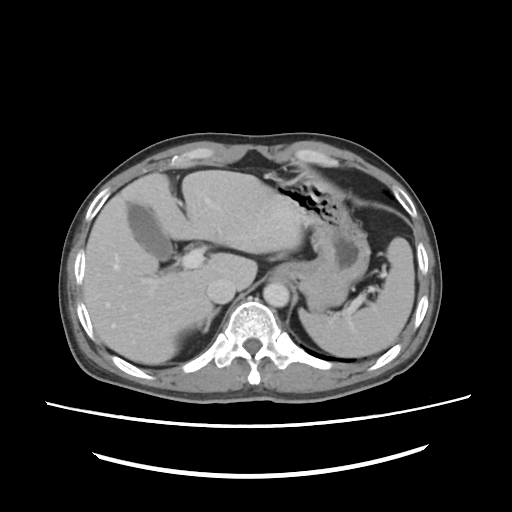
CT abdomen · axial plane, index 77 · soft-tissue window · 45-year-old male patient · acquired on Aquilion ONE · scan has 15 labeled organs (that count is for the whole scan; organs this slice misses have no box)
<organs><organ name="spleen" x1="299" y1="238" x2="413" y2="357"/><organ name="right adrenal gland" x1="197" y1="309" x2="219" y2="333"/><organ name="liver" x1="84" y1="171" x2="303" y2="364"/><organ name="gall bladder" x1="128" y1="203" x2="172" y2="261"/><organ name="stomach" x1="269" y1="176" x2="369" y2="310"/><organ name="inferior vena cava" x1="207" y1="276" x2="235" y2="302"/><organ name="aorta" x1="263" y1="282" x2="289" y2="306"/></organs>